Abdominal CT. axial plane, index 141. abdomen soft-tissue window
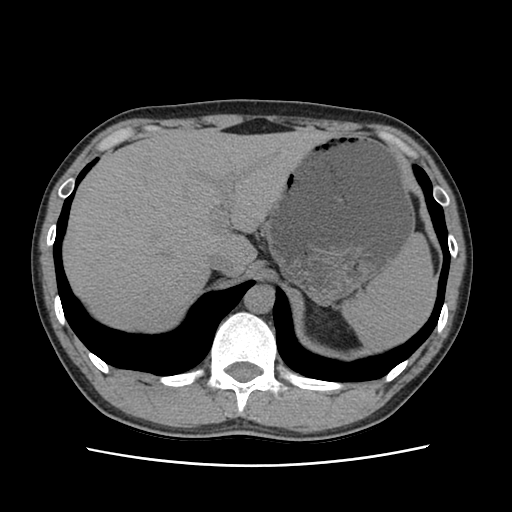 Boxes: x1 y1 x2 y2 (pixel coords, space-separated). 5 labeled organs on this slice — spleen at 342 233 434 347; liver at 65 130 332 333; stomach at 263 136 413 304; aorta at 244 285 273 314; inferior vena cava at 206 249 243 276.